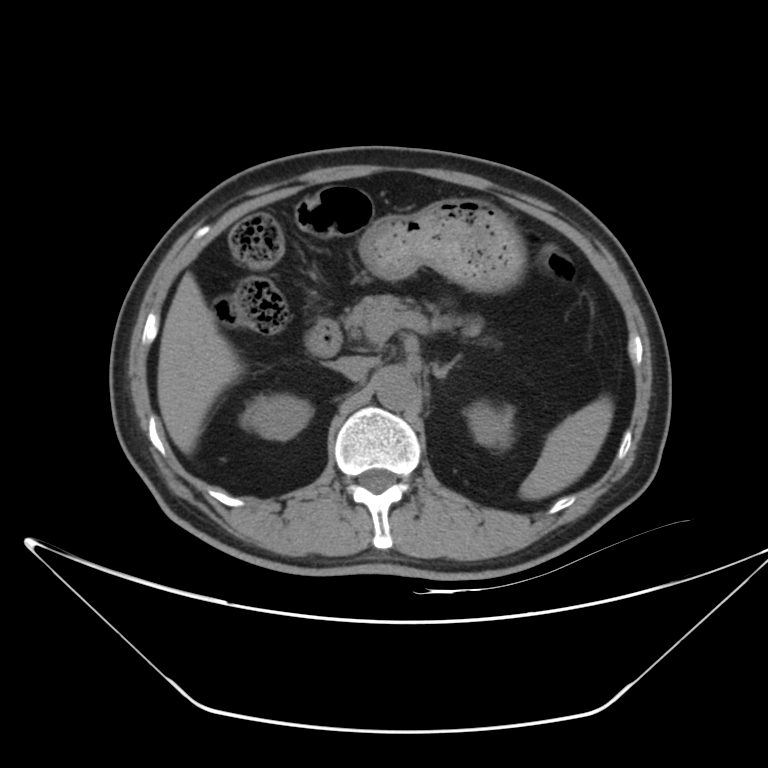

Abdominal CT; axial view; scan has 14 labeled organs (that count is for the whole scan; organs this slice misses have no box)
<organs><organ name="spleen" x1="519" y1="397" x2="613" y2="499"/><organ name="right kidney" x1="238" y1="396" x2="312" y2="440"/><organ name="left kidney" x1="466" y1="401" x2="512" y2="448"/><organ name="liver" x1="157" y1="272" x2="241" y2="452"/><organ name="stomach" x1="358" y1="198" x2="525" y2="291"/><organ name="aorta" x1="375" y1="368" x2="418" y2="410"/><organ name="inferior vena cava" x1="336" y1="357" x2="372" y2="379"/><organ name="pancreas" x1="343" y1="295" x2="482" y2="338"/><organ name="left adrenal gland" x1="432" y1="357" x2="458" y2="377"/><organ name="duodenum" x1="305" y1="317" x2="340" y2="357"/></organs>